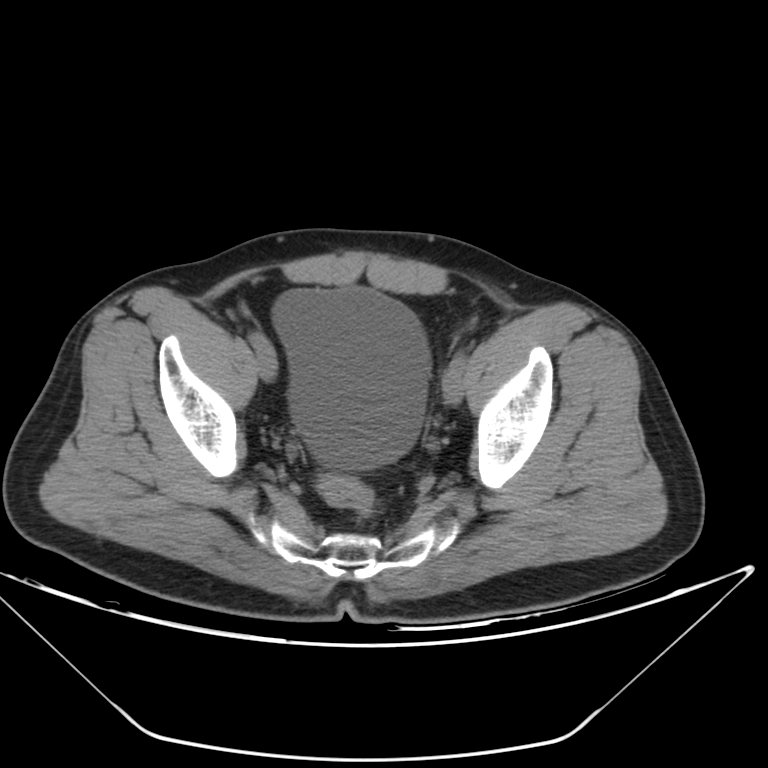

CT abdomen — axial view — soft-tissue window — 768x768 px — 50-year-old male patient
Coordinates as <box>x1,y1,x2,y2</box> in pixels.
Organ bounding boxes:
- bladder: <box>272,286,430,469</box>